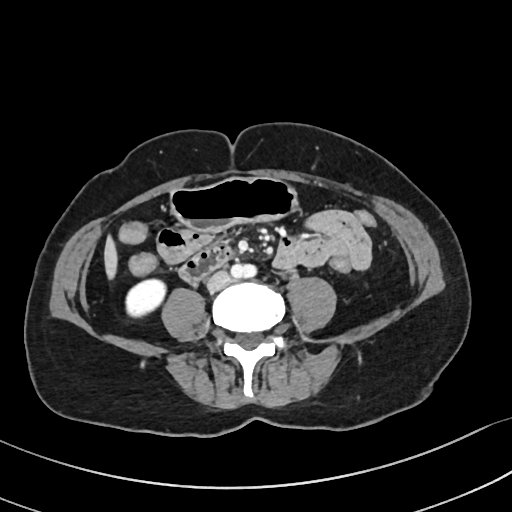 Computed tomography, abdomen — axial view — soft-tissue window (W 400 / L 40)
Boxes are (x1, y1, x2, y2) in pixels.
Organ bounding boxes:
- right kidney: (126, 278, 164, 318)
- liver: (103, 233, 118, 279)
- stomach: (171, 178, 299, 232)
- inferior vena cava: (207, 272, 230, 292)
- duodenum: (180, 242, 234, 281)